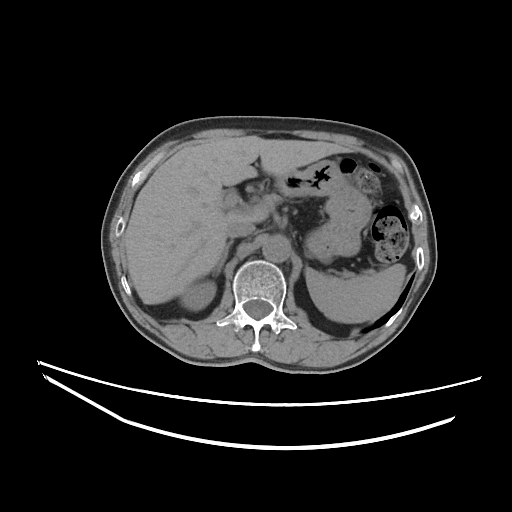 Abdominal CT. axial view
<organs><organ name="spleen" x1="306" y1="263" x2="405" y2="323"/><organ name="right kidney" x1="180" y1="280" x2="215" y2="310"/><organ name="liver" x1="124" y1="136" x2="348" y2="304"/><organ name="stomach" x1="275" y1="159" x2="371" y2="262"/><organ name="aorta" x1="262" y1="235" x2="290" y2="262"/><organ name="inferior vena cava" x1="226" y1="220" x2="255" y2="237"/><organ name="right adrenal gland" x1="213" y1="240" x2="233" y2="275"/></organs>